Abdominal MRI. axial view. Prisma scanner
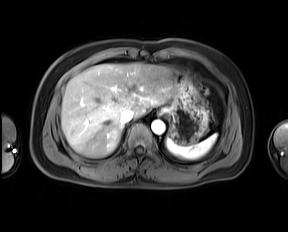 {"organs":{"spleen":[165,134,216,159],"esophagus":[158,109,162,115],"liver":[61,62,172,157],"stomach":[163,70,208,144],"aorta":[151,119,165,134],"inferior vena cava":[121,110,134,122]}}